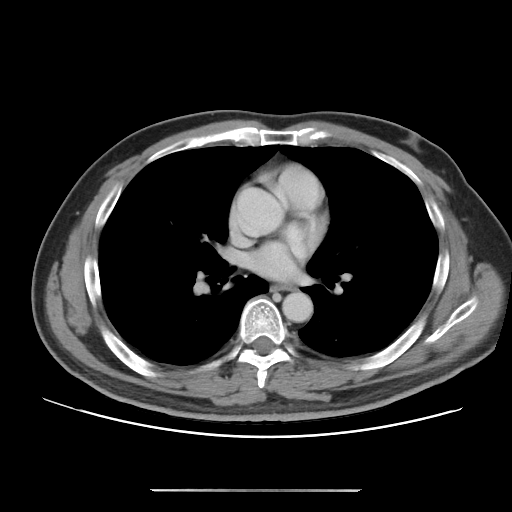
Abdominal CT; this slice is in the lower chest, just above the liver. axial view. soft-tissue window (W 400 / L 40)
No part of the heart or lungs is labeled in this dataset, so neither has a box here.
Each box given as x1,y1,x2,y2.
Organ bounding boxes:
- esophagus: x1=271, y1=284, x2=292, y2=290
- aorta: x1=237, y1=187, x2=284, y2=235
- aorta: x1=282, y1=291, x2=313, y2=322